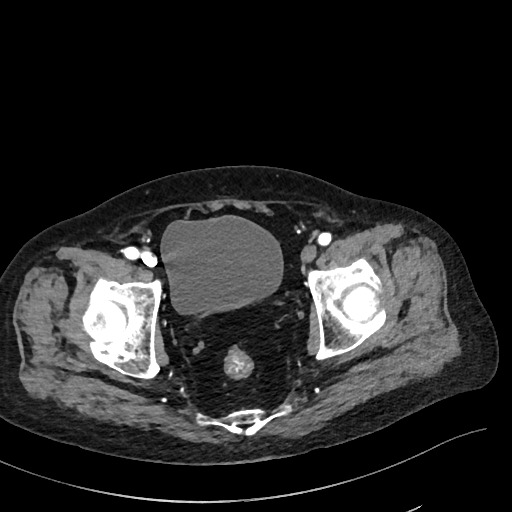

CT, abdomen/pelvis — axial plane, index 44 — 512x512 px — SOMATOM Force scanner
Bounding boxes as [x1, y1, x2, y2] in pixel coordinates. The annotated organs in this slice are: bladder at [161, 216, 283, 314].